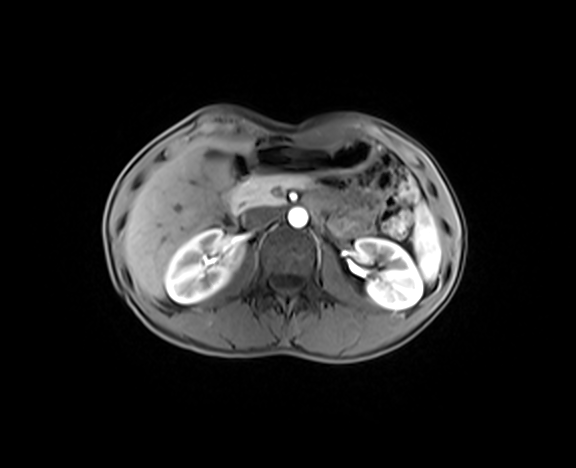 Magnetic resonance imaging, abdomen — axial view — acquired on Prisma
Boxes are (x1, y1, x2, y2) in pixels. Labeled organs on this slice: spleen at (412, 202, 440, 280), right kidney at (164, 229, 243, 303), left kidney at (352, 238, 422, 309), gall bladder at (204, 149, 231, 191), liver at (124, 137, 246, 298), stomach at (246, 139, 373, 174), aorta at (288, 208, 307, 227), inferior vena cava at (240, 208, 276, 229), pancreas at (228, 174, 312, 211), duodenum at (220, 153, 255, 228).